Abdominal CT reaching into the chest; this slice is in the chest; axial plane, index 104; 49-year-old male patient
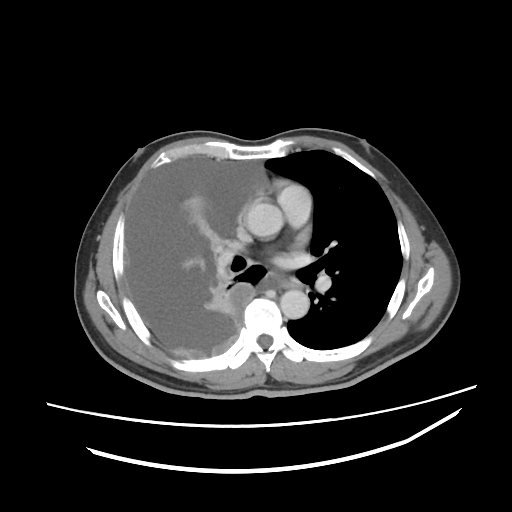 At this level of the chest this dataset labels only the esophagus and the aorta, and each is boxed only where it is labeled; the heart and lungs are never labeled.
Organ boxes in pixel coordinates; each row gives the top-left (x1, y1) and bottom-right (x2, y2) corners.
| organ | x1 | y1 | x2 | y2 |
|---|---|---|---|---|
| esophagus | 280 | 278 | 290 | 289 |
| aorta | 245 | 203 | 283 | 237 |
| aorta | 280 | 290 | 309 | 319 |